CT abdomen. axial plane, index 160. soft-tissue window (W 400 / L 40). SOMATOM Force scanner. 15 organs annotated in this scan (that count is for the whole scan; organs this slice misses have no box)
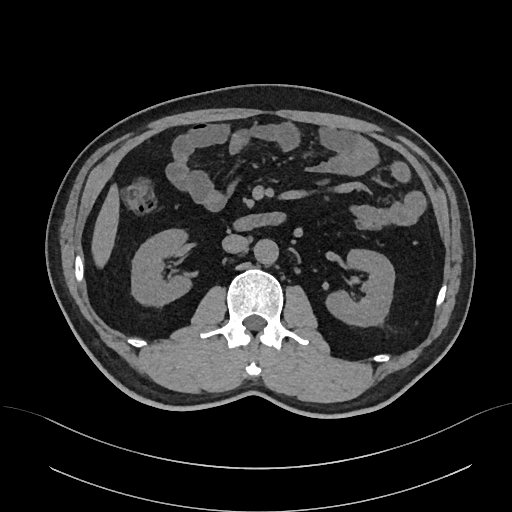
{"organs":{"aorta":[254,240,278,265],"duodenum":[231,212,287,231],"inferior vena cava":[222,234,248,253],"right kidney":[131,230,193,306],"left kidney":[324,249,394,327],"liver":[90,181,120,271]}}